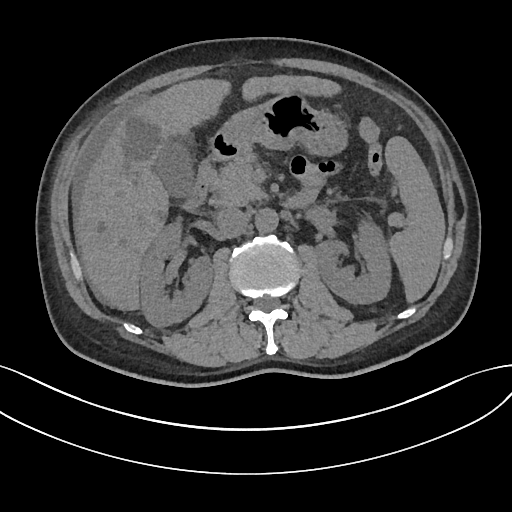 Computed tomography, abdomen; axial view; soft-tissue window; 512x512 px; scan has 15 labeled organs (counted over the whole 3D scan, not this slice; an organ is boxed only where this slice passes through it)
Box edges are left/top/right/bottom in pixels.
gall bladder: left=155, top=138, right=192, bottom=197
aorta: left=255, top=208, right=278, bottom=232
right kidney: left=139, top=219, right=212, bottom=326
left kidney: left=316, top=219, right=391, bottom=303
liver: left=74, top=75, right=340, bottom=310
stomach: left=217, top=92, right=347, bottom=157
pancreas: left=210, top=155, right=266, bottom=205
inferior vena cava: left=215, top=206, right=249, bottom=238
duodenum: left=182, top=136, right=317, bottom=212
spleen: left=385, top=136, right=445, bottom=302